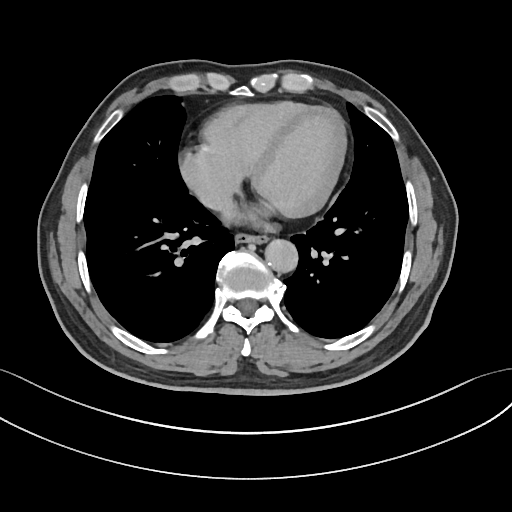
Abdominal CT; this slice is in the lower chest, just above the liver · axial view · scan has 15 labeled organs (a whole-scan count: organs this slice does not pass through have no box)
No part of the heart or lungs is labeled in this dataset, so neither has a box here. Bounding boxes as [x1, y1, x2, y2] in pixel coordinates. Labeled organs on this slice: esophagus at [235, 232, 266, 242], aorta at [264, 238, 297, 272], inferior vena cava at [199, 185, 234, 212].